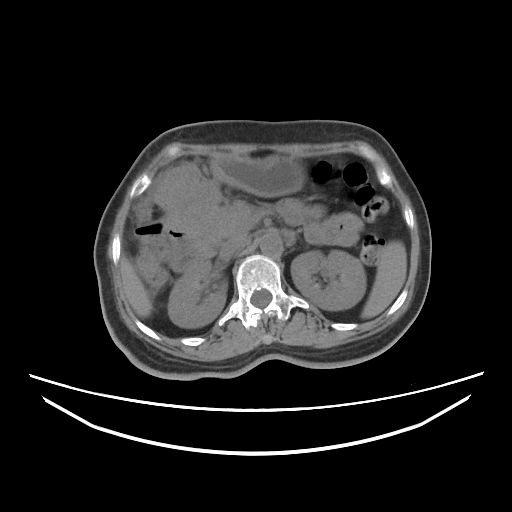 CT, abdomen/pelvis · axial plane, index 69 · W/L 400/40 HU · 49-year-old female patient
{"organs":{"duodenum":[171,233,203,271],"liver":[120,257,152,317],"stomach":[156,154,305,236],"inferior vena cava":[220,236,247,256],"right kidney":[168,261,227,327],"pancreas":[202,202,247,245],"left kidney":[291,250,366,310],"aorta":[259,234,282,256],"spleen":[361,241,406,318]}}